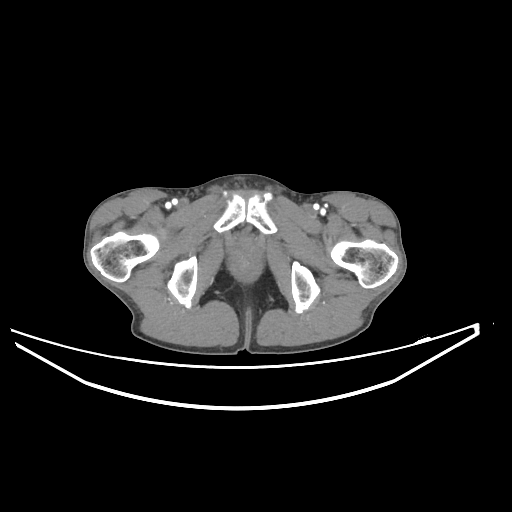

Abdominal CT; axial plane, index 11; 60-year-old male patient
<organs><organ name="prostate/uterus" x1="231" y1="237" x2="259" y2="258"/></organs>